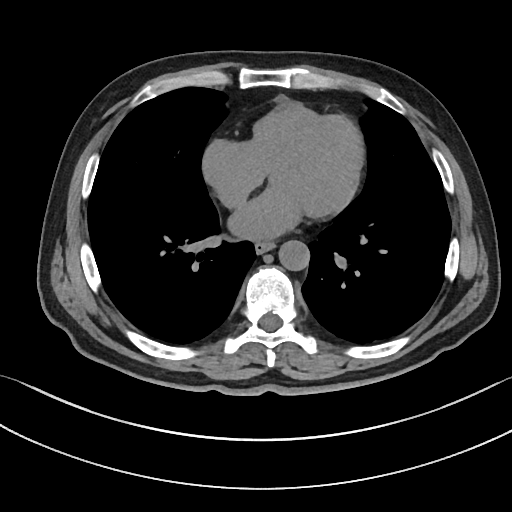
CT of the abdomen reaching into the lower chest, slice just above the liver and spleen — Axial slice 228/231 — soft-tissue window
The heart and lungs are never labeled in this dataset, so they have no box on this slice. Each box given as x1,y1,x2,y2. 2 labeled organs on this slice — esophagus at x1=255, y1=241, x2=274, y2=253; aorta at x1=278, y1=240, x2=309, y2=270.